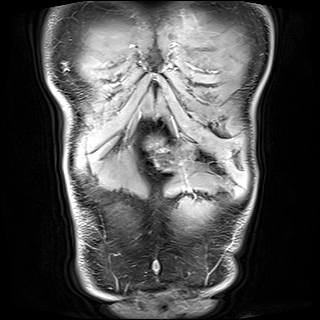 MRI, abdomen · coronal plane, index 55
Bounding boxes as [x1, y1, x2, y2] in pixel coordinates. Labeled organs on this slice: stomach at [155, 152, 173, 169].